Computed tomography, abdomen · axial view · W/L 400/40 HU · 43-year-old female patient
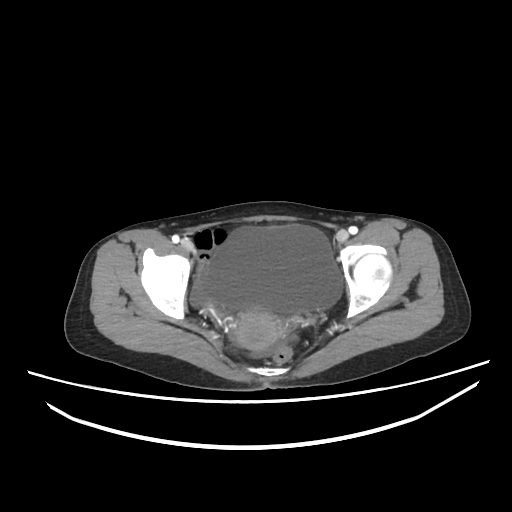
Boxes: x1:y1:x2:y2 in pixels. The annotated organs in this slice are: bladder at 203:224:342:314, prostate/uterus at 234:307:283:350.